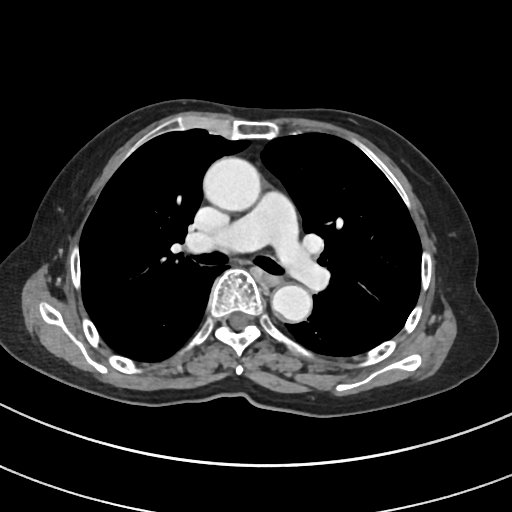

CT of the abdomen extending into the chest, slice through the chest; axial view; soft-tissue window; 512x512 px
On a slice this high in the chest, this dataset labels only the esophagus and the aorta, and each is boxed only where it is labeled; the heart, lungs and other chest structures are not labeled.
{"organs":{"esophagus":[264,273,284,285],"aorta":[[202,156,259,210],[272,285,311,322]]}}